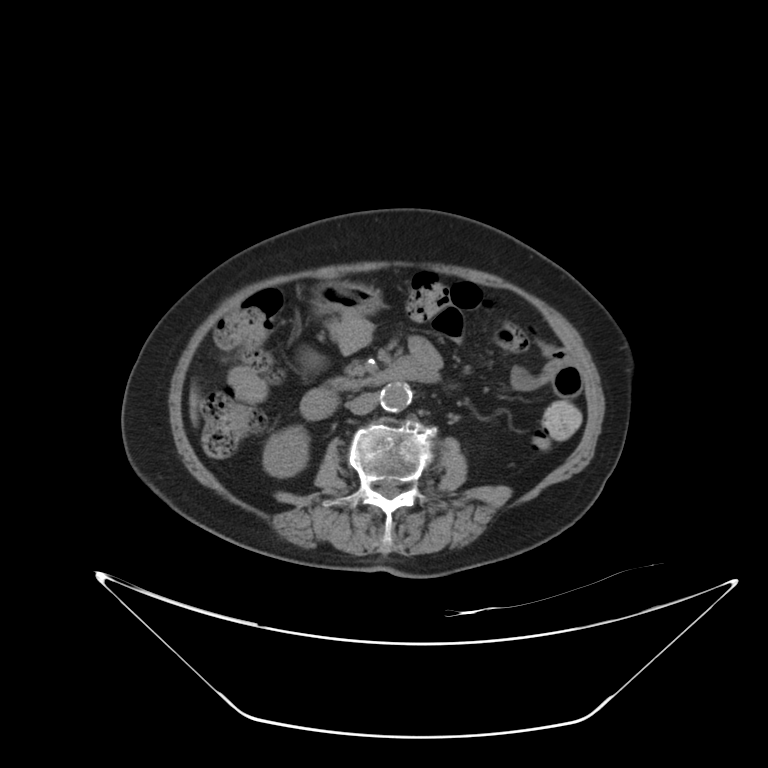 Computed tomography, abdomen; axial plane, index 51; scan has 15 labeled organs (that count is for the whole scan; organs this slice misses have no box)
Organ boxes in pixel coordinates; each row gives the top-left (x1, y1) and bottom-right (x2, y2) corners.
| organ | x1 | y1 | x2 | y2 |
|---|---|---|---|---|
| right kidney | 262 | 426 | 308 | 477 |
| liver | 190 | 395 | 198 | 423 |
| stomach | 313 | 282 | 381 | 314 |
| aorta | 380 | 382 | 411 | 412 |
| inferior vena cava | 348 | 392 | 378 | 414 |
| pancreas | 327 | 377 | 365 | 390 |
| duodenum | 300 | 356 | 438 | 419 |